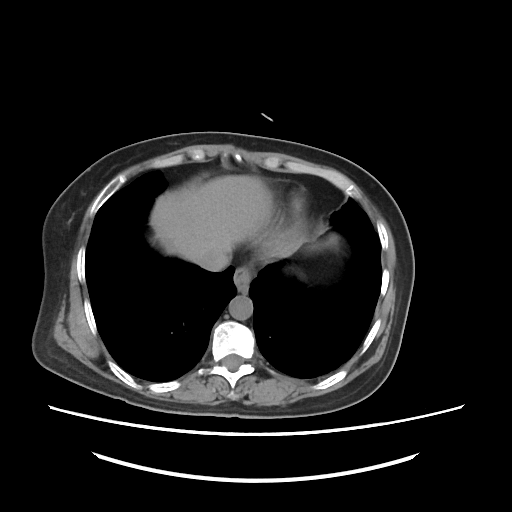

CT, abdomen/pelvis — axial plane, index 81 — soft-tissue window (W 400 / L 40)
Each box given as x1,y1,x2,y2.
Organ bounding boxes:
- esophagus: x1=233, y1=267, x2=251, y2=293
- liver: x1=151, y1=174, x2=269, y2=260
- aorta: x1=229, y1=295, x2=253, y2=319
- inferior vena cava: x1=201, y1=248, x2=229, y2=270